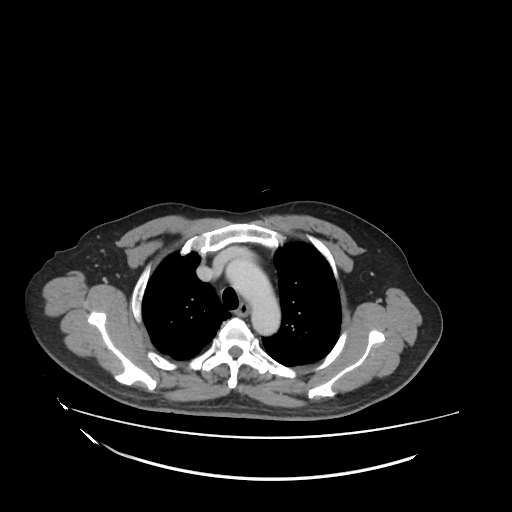 Abdominal CT reaching into the chest; this slice is in the chest. axial view. soft-tissue window (W 400 / L 40). 66-year-old male patient
On a slice this high in the chest, this dataset labels only the esophagus and the aorta, and each is boxed only where it is labeled; the heart, lungs and other chest structures are not labeled.
{"organs":{"esophagus":[234,300,251,314],"aorta":[225,257,278,334]}}